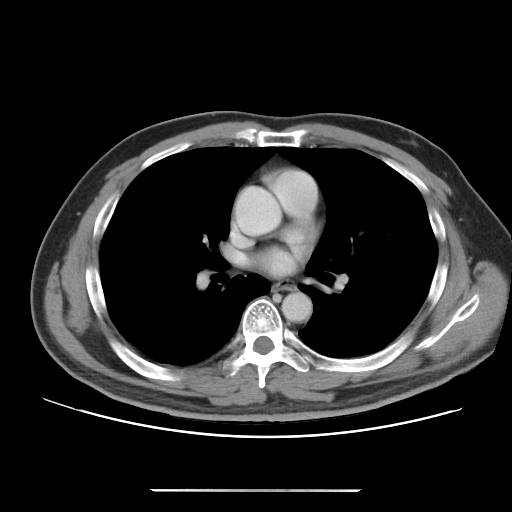 Abdominal CT reaching into the chest; this slice is in the chest — axial view — W/L 400/40 HU
At this level of the chest this dataset labels only the esophagus and the aorta, and each is boxed only where it is labeled; the heart and lungs are never labeled.
{"organs":{"aorta":[[234,186,281,235],[281,292,312,322]],"esophagus":[272,282,295,290]}}